Computed tomography, abdomen · axial plane, index 17
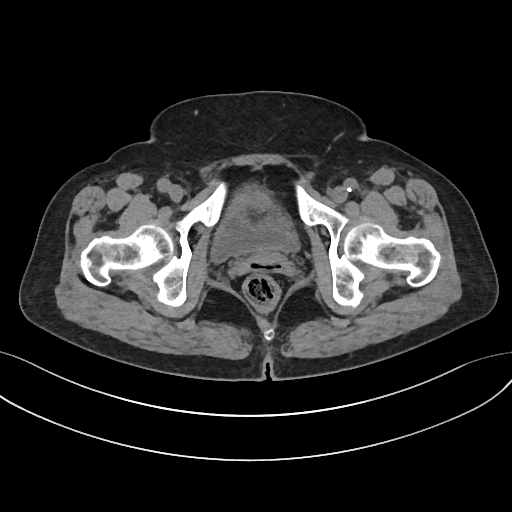 <organs><organ name="bladder" x1="209" y1="184" x2="298" y2="264"/></organs>